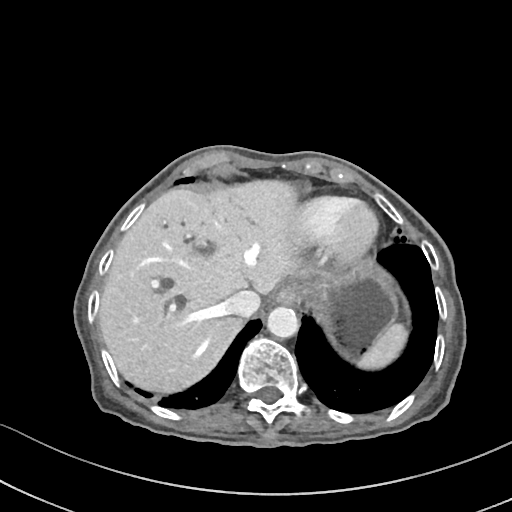

Computed tomography, abdomen · axial plane, index 202
<organs><organ name="spleen" x1="357" y1="323" x2="407" y2="369"/><organ name="esophagus" x1="274" y1="284" x2="303" y2="304"/><organ name="liver" x1="99" y1="180" x2="301" y2="393"/><organ name="stomach" x1="301" y1="261" x2="397" y2="359"/><organ name="aorta" x1="266" y1="306" x2="298" y2="338"/><organ name="inferior vena cava" x1="226" y1="290" x2="260" y2="317"/></organs>